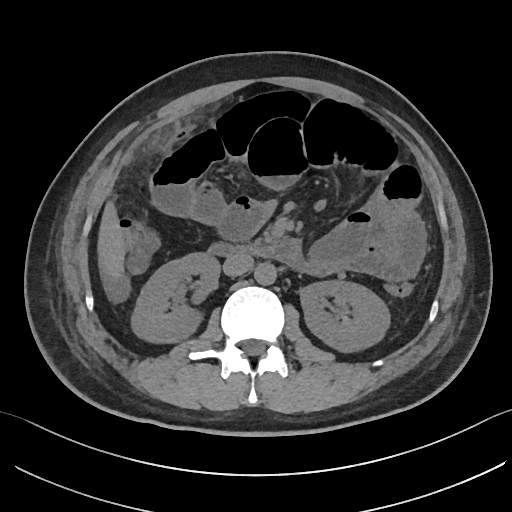 Computed tomography, abdomen; Axial slice 144/234; acquired on SOMATOM Force
Each box given as x1,y1,x2,y2.
Organ bounding boxes:
- right kidney: x1=131, y1=252, x2=219, y2=342
- left kidney: x1=299, y1=280, x2=390, y2=352
- liver: x1=97, y1=201, x2=125, y2=280
- aorta: x1=254, y1=262, x2=276, y2=285
- inferior vena cava: x1=223, y1=254, x2=253, y2=276
- duodenum: x1=208, y1=238, x2=299, y2=266